CT abdomen. axial view. soft-tissue window (W 400 / L 40). 31-year-old female patient. scan has 15 labeled organs (a whole-scan count: organs this slice does not pass through have no box)
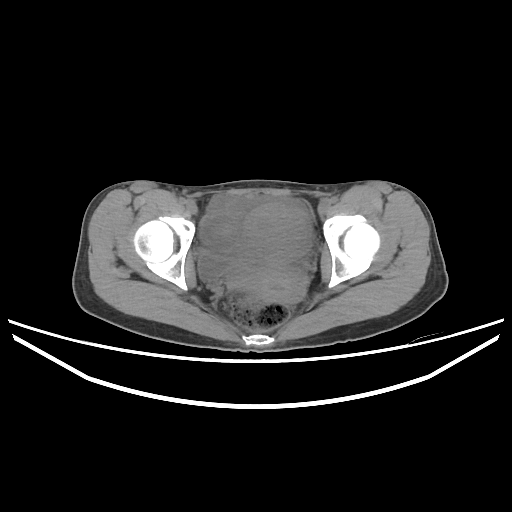

Boxes: x1:y1:x2:y2 in pixels.
Organ bounding boxes:
- bladder: 199:252:237:281
- prostate/uterus: 241:200:308:301